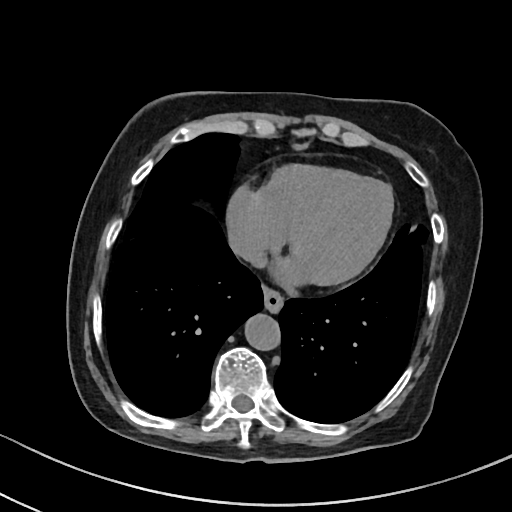 Abdominal CT; this slice is in the lower chest, just above the liver · axial view · W/L 400/40 HU · 512x512 px · acquired on SOMATOM Force · 15 organs annotated in this scan (counted over the whole 3D scan, not this slice; an organ is boxed only where this slice passes through it)
No part of the heart or lungs is labeled in this dataset, so neither has a box here.
<organs><organ name="esophagus" x1="263" y1="287" x2="283" y2="311"/><organ name="aorta" x1="243" y1="312" x2="279" y2="349"/><organ name="inferior vena cava" x1="229" y1="226" x2="262" y2="261"/></organs>